Computed tomography, abdomen; axial view; soft-tissue window (W 400 / L 40); 768x768 px; Brilliance16 scanner
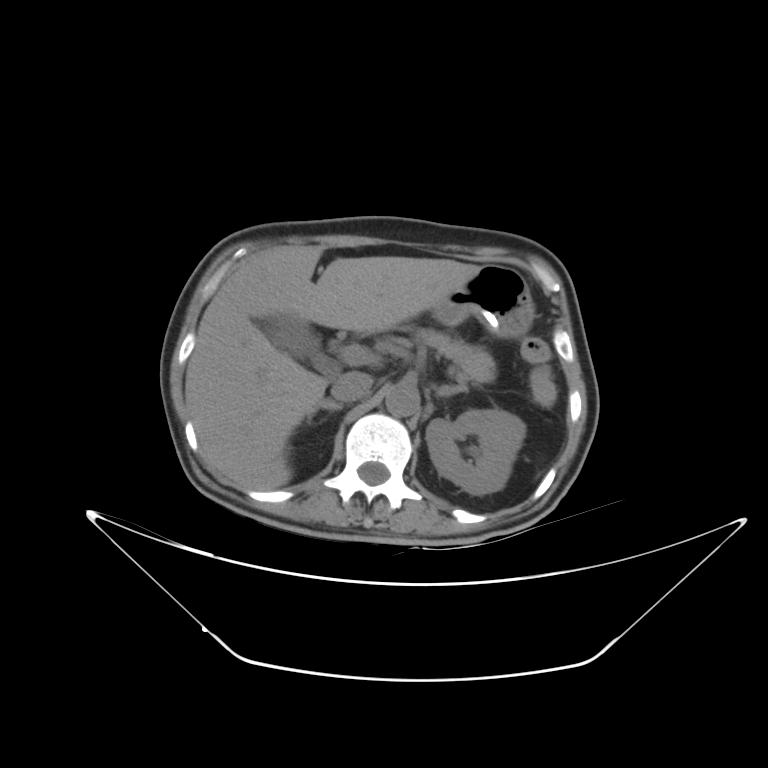
Bounding boxes as [x1, y1, x2, y2] in pixel coordinates.
left kidney: [425, 409, 525, 494]
gall bladder: [269, 316, 318, 359]
liver: [185, 245, 480, 489]
stomach: [431, 264, 534, 337]
aorta: [385, 383, 419, 416]
inferior vena cava: [330, 371, 372, 401]
pancreas: [411, 328, 495, 384]
right adrenal gland: [306, 400, 342, 423]
left adrenal gland: [434, 385, 467, 396]